CT abdomen; Axial slice 174/237; abdomen soft-tissue window
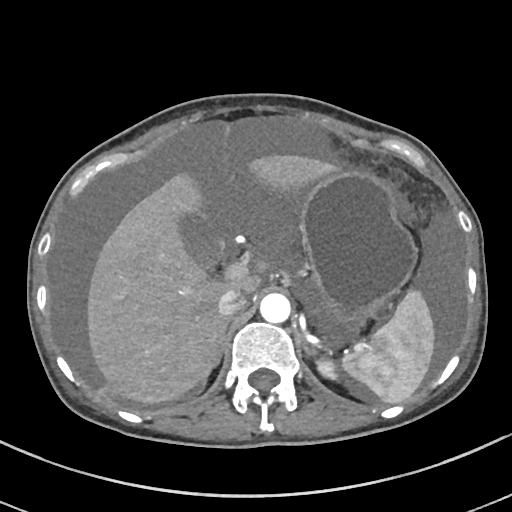
{"organs":{"spleen":[343,289,434,403],"left kidney":[317,357,338,379],"gall bladder":[179,214,223,267],"liver":[87,155,333,404],"stomach":[300,172,415,323],"aorta":[259,293,290,322],"inferior vena cava":[217,288,246,317],"right adrenal gland":[202,319,229,381],"left adrenal gland":[302,336,311,353]}}